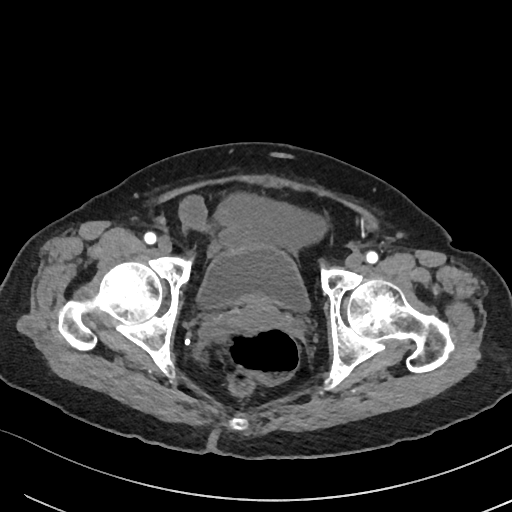 Abdominal CT. axial plane, index 38. abdomen soft-tissue window. 512x512 px. 15 organs annotated in this scan (a whole-scan count: organs this slice does not pass through have no box)
Bounding boxes as [x1, y1, x2, y2] in pixel coordinates.
Organ bounding boxes:
- bladder: [198, 245, 309, 311]
- prostate/uterus: [230, 300, 285, 328]